CT abdomen · Axial slice 14/89 · soft-tissue window · acquired on Brilliance16 · 15 organs annotated in this scan (a whole-scan count: organs this slice does not pass through have no box)
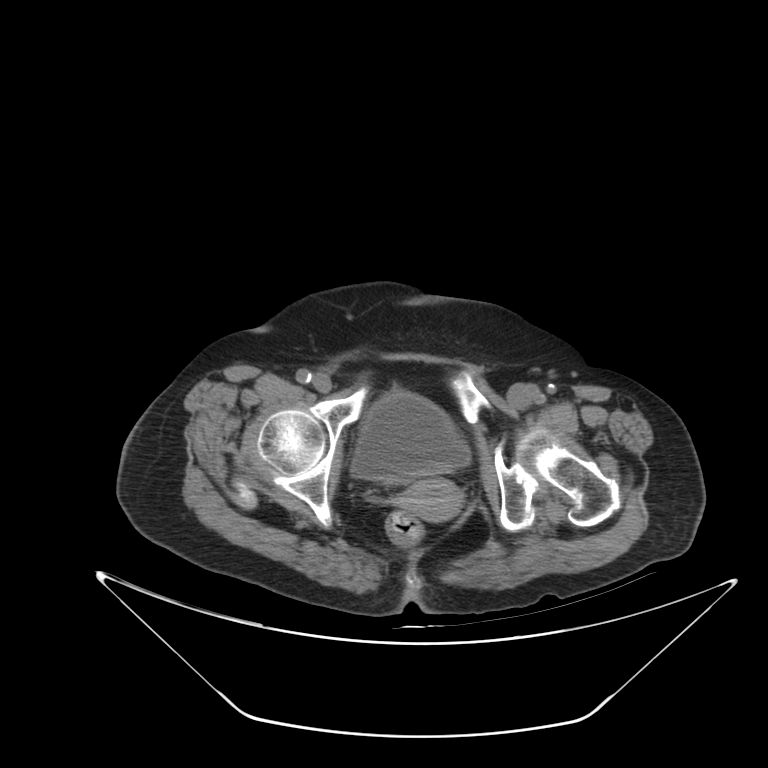
Boxes: x1 y1 x2 y2 (pixel coords, space-separated).
Organ bounding boxes:
- bladder: 350 390 470 482
- prostate/uterus: 400 478 461 521